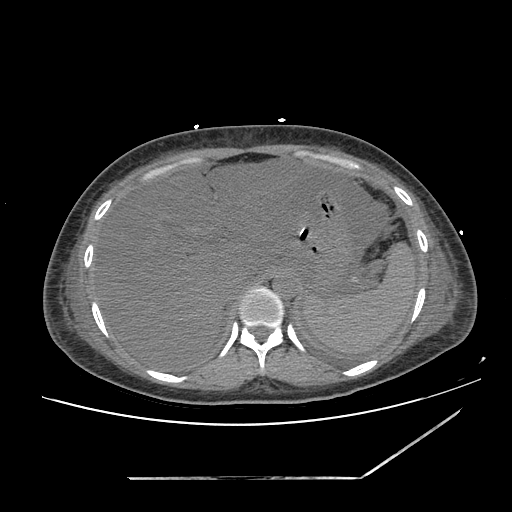 CT, abdomen/pelvis — Axial slice 146/191 — 512x512 px — acquired on SOMATOM Force
{"organs":{"spleen":[304,245,415,353],"liver":[93,158,312,370],"stomach":[286,191,354,299],"aorta":[273,272,299,299],"inferior vena cava":[219,271,254,308]}}